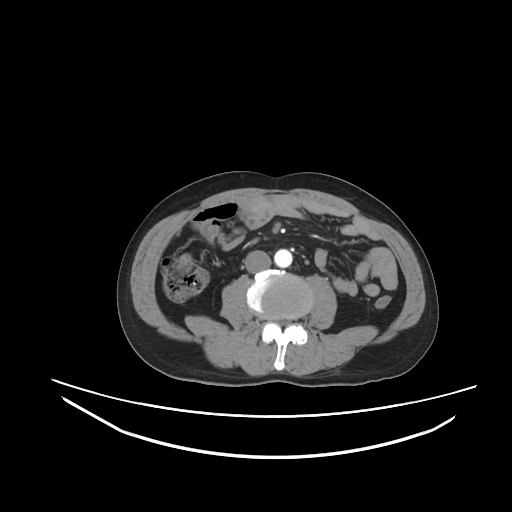
CT abdomen; axial plane, index 54; soft-tissue window (W 400 / L 40); 52-year-old male patient
Boxes: x1 y1 x2 y2 (pixel coords, space-separated).
aorta: 274 249 292 267
inferior vena cava: 244 250 271 273